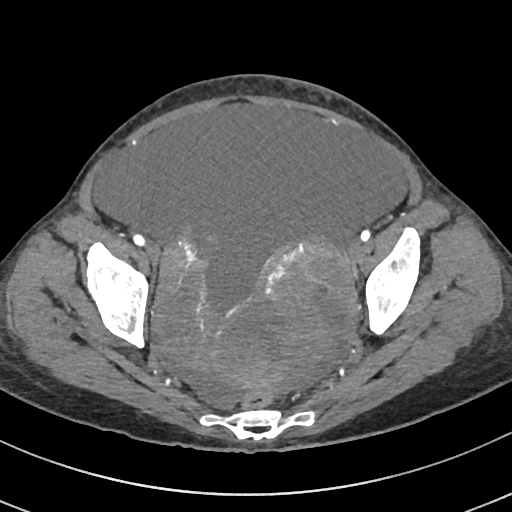
CT, abdomen/pelvis · axial view · 512x512 px · SOMATOM Force scanner
{"organs":{"prostate/uterus":[273,257,327,336]}}